Computed tomography, abdomen. axial view. 52-year-old female patient
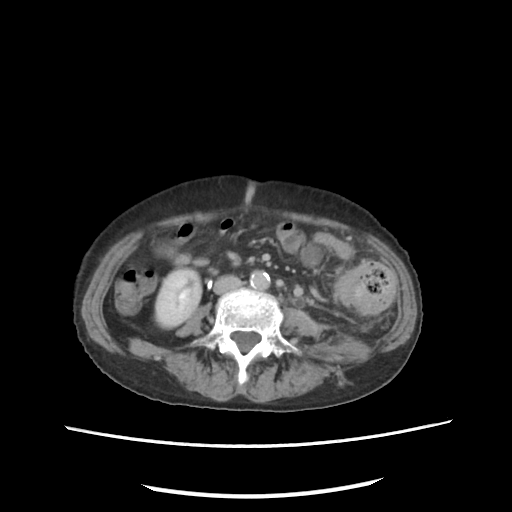 {"organs":{"right kidney":[155,268,201,328],"aorta":[250,271,270,290],"inferior vena cava":[214,276,241,293]}}